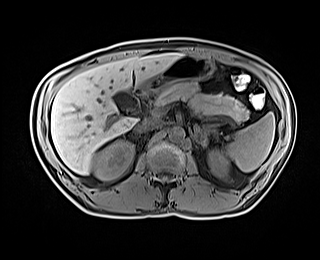
Abdominal MR. axial view. scan has 13 labeled organs (counted over the whole 3D scan, not this slice; an organ is boxed only where this slice passes through it)
Each box given as x1,y1,x2,y2.
spleen: x1=226, y1=112, x2=275, y2=171
right kidney: x1=93, y1=140, x2=134, y2=179
left kidney: x1=208, y1=148, x2=229, y2=177
gall bladder: x1=112, y1=91, x2=132, y2=108
liver: x1=51, y1=53, x2=181, y2=174
stomach: x1=133, y1=55, x2=213, y2=95
aorta: x1=169, y1=127, x2=184, y2=142
inferior vena cava: x1=138, y1=119, x2=160, y2=131
pancreas: x1=155, y1=82, x2=249, y2=121
left adrenal gland: x1=193, y1=124, x2=219, y2=147
duodenum: x1=129, y1=93, x2=149, y2=115